Abdominal CT. axial plane, index 126. W/L 400/40 HU. 512x512 px. acquired on SOMATOM Force
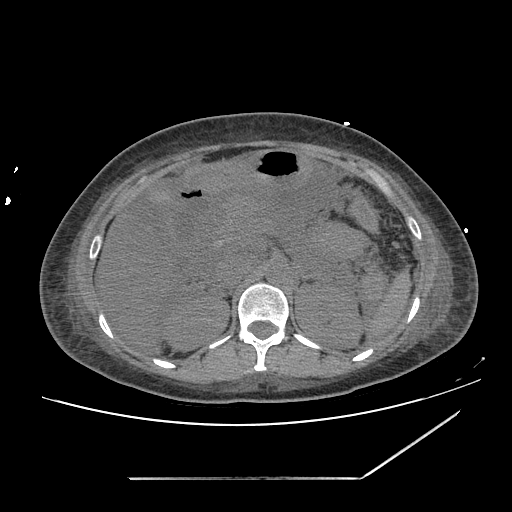 Boxes are (x1, y1, x2, y2) in pixels.
Organ bounding boxes:
- inferior vena cava: (216, 258, 250, 288)
- stomach: (181, 148, 309, 193)
- gall bladder: (147, 181, 170, 208)
- left kidney: (295, 283, 363, 348)
- spleen: (365, 269, 411, 339)
- right kidney: (161, 293, 229, 350)
- aorta: (266, 261, 290, 284)
- duodenum: (170, 180, 211, 251)
- liver: (96, 207, 173, 354)
- left adrenal gland: (298, 270, 321, 280)
- pancreas: (207, 192, 264, 244)